Magnetic resonance imaging, abdomen. axial view
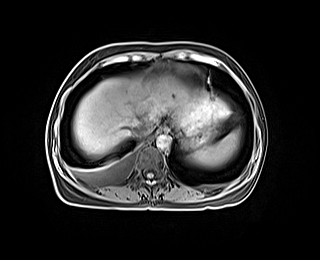 Bounding boxes as [x1, y1, x2, y2] in pixel coordinates.
Organ bounding boxes:
- spleen: [188, 129, 240, 167]
- esophagus: [158, 126, 169, 132]
- liver: [73, 77, 229, 155]
- stomach: [181, 123, 217, 150]
- aorta: [156, 134, 171, 149]
- inferior vena cava: [132, 122, 152, 137]